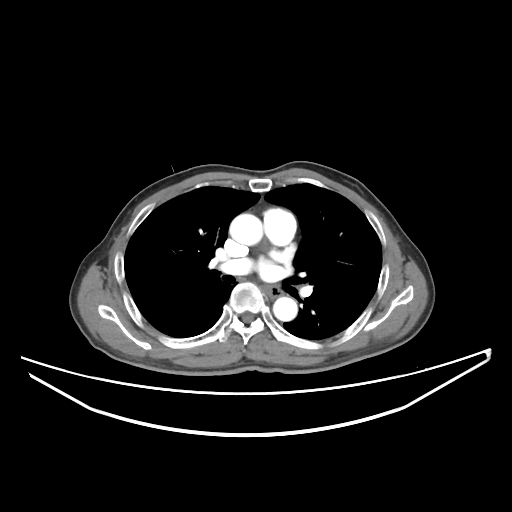 Chest-level CT slice, above the liver and spleen; axial view; 512x512 px
At this level of the chest no structure but the esophagus and the aorta has a label in this dataset, and those two are boxed only where they are labeled. Each box given as x1,y1,x2,y2. Labeled organs on this slice: esophagus at x1=264, y1=286, x2=281, y2=297, aorta at x1=229, y1=214, x2=262, y2=245, aorta at x1=273, y1=297, x2=297, y2=321.